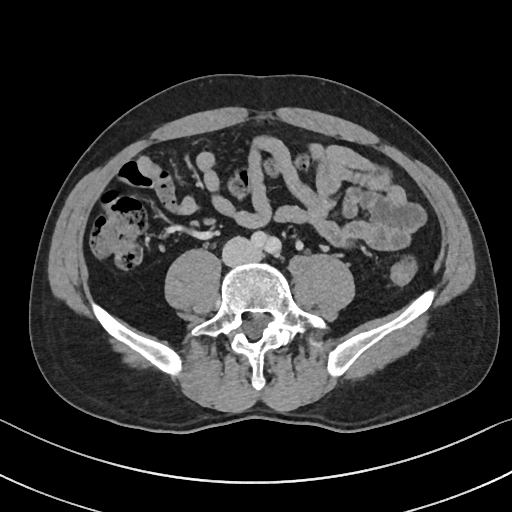

Computed tomography, abdomen; axial plane, index 82; soft-tissue window; scan has 15 labeled organs (counted over the whole 3D scan, not this slice; an organ is boxed only where this slice passes through it)
<organs><organ name="aorta" x1="251" y1="231" x2="281" y2="253"/><organ name="inferior vena cava" x1="222" y1="237" x2="261" y2="266"/></organs>